Computed tomography, abdomen · axial view · 15 organs annotated in this scan (counted over the whole 3D scan, not this slice; an organ is boxed only where this slice passes through it)
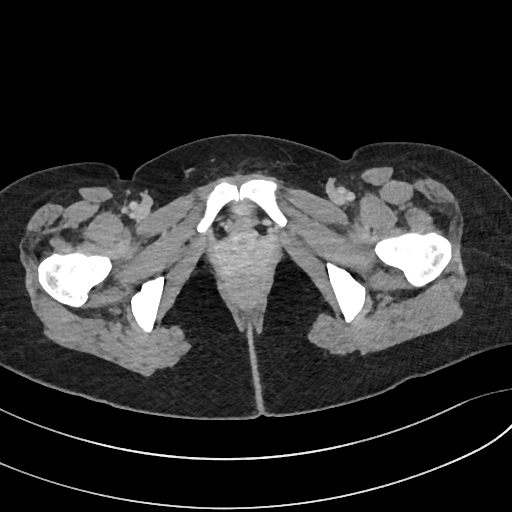

Boxes: x1:y1:x2:y2 in pixels.
bladder: 232:202:251:214